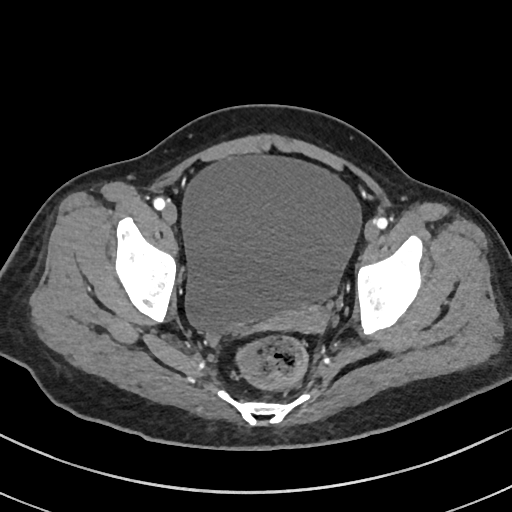

Computed tomography, abdomen — axial view — 512x512 px — 15 organs annotated in this scan (counted over the whole 3D scan, not this slice; an organ is boxed only where this slice passes through it)
Boxes: x1 y1 x2 y2 (pixel coords, space-separated).
prostate/uterus: 275 306 324 331
bladder: 183 156 361 337